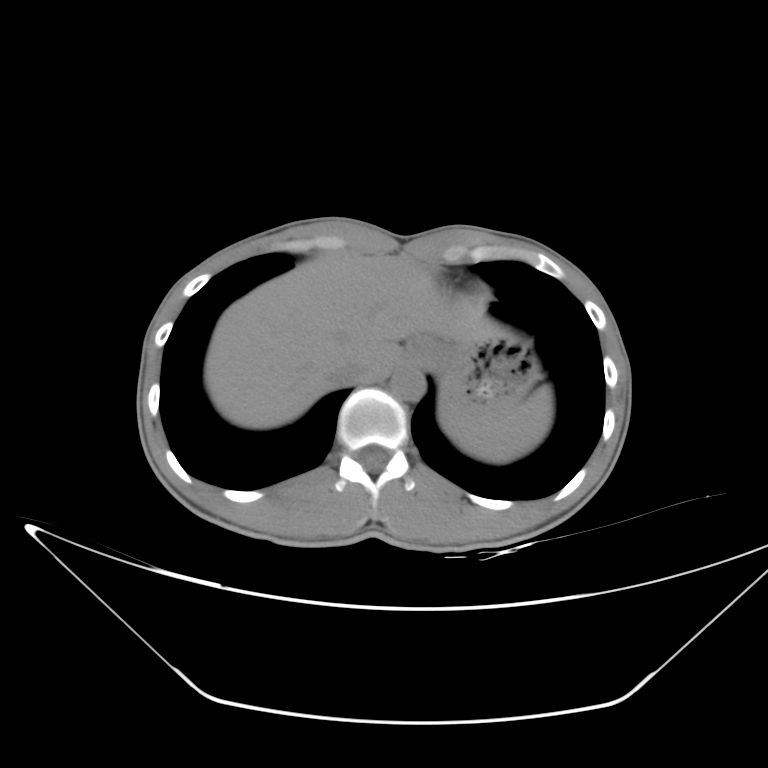

Computed tomography, abdomen; Axial slice 69/74; W/L 400/40 HU; 39-year-old male patient
Boxes are (x1, y1, x2, y2) in pixels. 6 labeled organs on this slice — inferior vena cava at (334, 363, 374, 383); aorta at (390, 365, 424, 401); spleen at (441, 387, 552, 462); liver at (205, 254, 503, 428); stomach at (419, 331, 538, 405); esophagus at (402, 341, 428, 365).